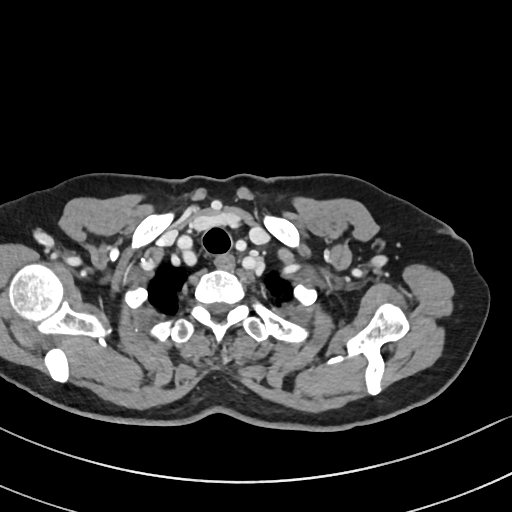

Chest-level CT slice, above the liver and spleen. axial view. 512x512 px. SOMATOM Force scanner
At this level of the chest this dataset labels only the esophagus and the aorta, and each is boxed only where it is labeled; the heart and lungs are never labeled.
{"organs":{"esophagus":[214,255,235,270]}}